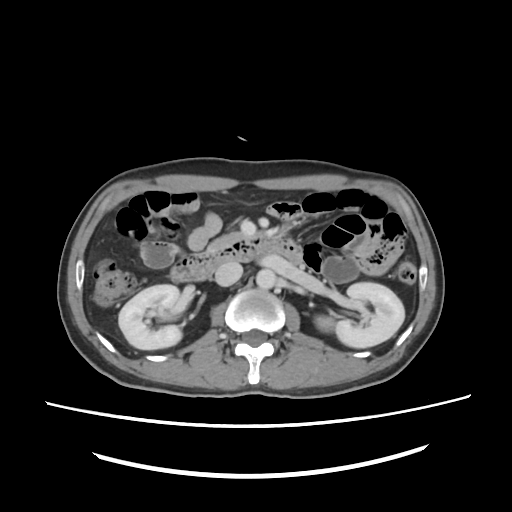
CT abdomen; axial plane, index 62; W/L 400/40 HU; 45-year-old male patient; 15 organs annotated in this scan (a whole-scan count: organs this slice does not pass through have no box)
<organs><organ name="inferior vena cava" x1="215" y1="264" x2="242" y2="285"/><organ name="duodenum" x1="171" y1="237" x2="305" y2="281"/><organ name="left kidney" x1="316" y1="282" x2="404" y2="347"/><organ name="right kidney" x1="119" y1="284" x2="181" y2="350"/><organ name="aorta" x1="255" y1="269" x2="275" y2="287"/><organ name="pancreas" x1="209" y1="231" x2="268" y2="251"/></organs>